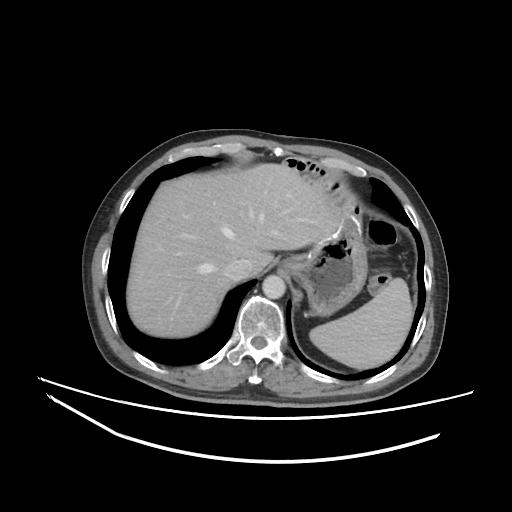

CT, abdomen/pelvis. axial view. W/L 400/40 HU. 54-year-old male patient. scan has 15 labeled organs (counted over the whole 3D scan, not this slice; an organ is boxed only where this slice passes through it)
Bounding boxes in pixels, one row per box: x1, y1 is the top-left corner and x2, y2 the bottom-right.
| organ | x1 | y1 | x2 | y2 |
|---|---|---|---|---|
| spleen | 309 | 278 | 413 | 368 |
| liver | 127 | 163 | 338 | 337 |
| stomach | 282 | 220 | 367 | 316 |
| aorta | 262 | 275 | 285 | 299 |
| inferior vena cava | 224 | 258 | 252 | 280 |